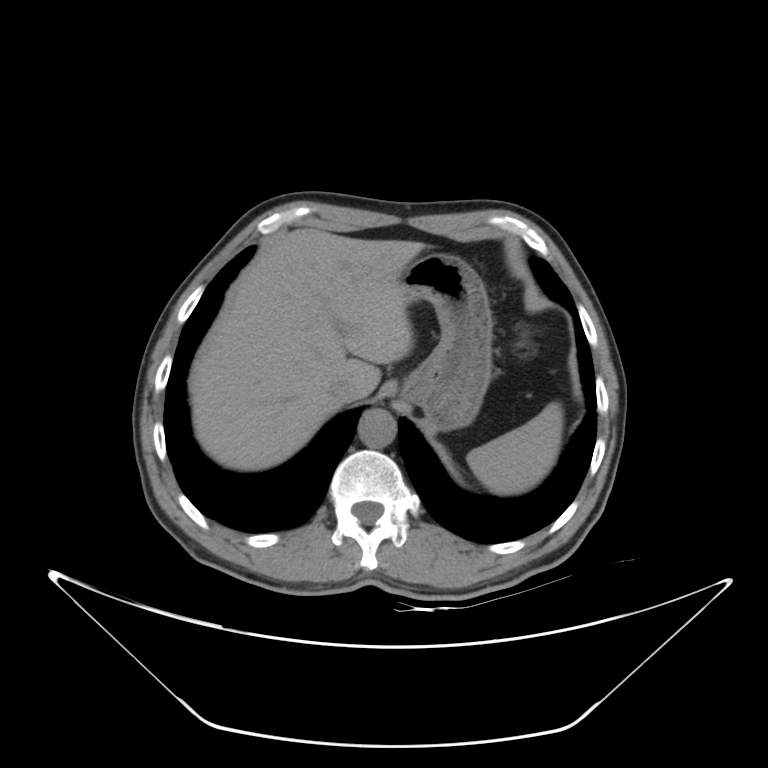

Abdominal CT — Axial slice 78/83 — W/L 400/40 HU — 768x768 px — 59-year-old male patient — Brilliance16 scanner
Boxes: x1 y1 x2 y2 (pixel coords, space-separated). The annotated organs in this slice are: spleen at 466 402 563 493, liver at 189 229 424 470, stomach at 401 252 492 431, aorta at 358 410 396 448, inferior vena cava at 329 375 360 404.